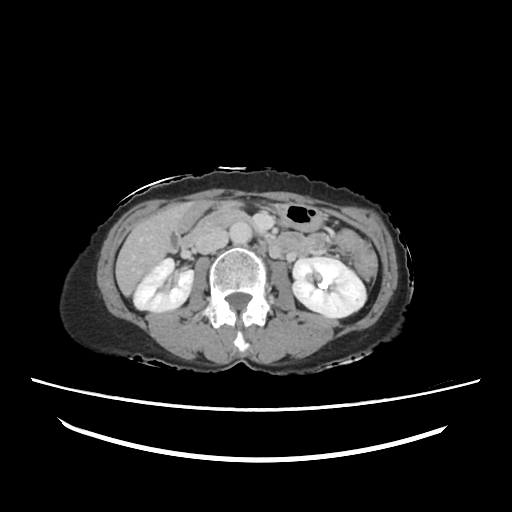 Computed tomography, abdomen — axial plane, index 52 — Aquilion ONE scanner
Coordinates as <box>x1,y1,x2,y2</box> in pixels. The annotated organs in this slice are: stomach at <box>178,200,321,234</box>, liver at <box>115,202,190,297</box>, right kidney at <box>134,257,193,312</box>, aorta at <box>232,229,252,243</box>, inferior vena cava at <box>196,228,227,253</box>, left kidney at <box>230,222,367,318</box>, duodenum at <box>182,211,250,247</box>, gall bladder at <box>167,229,180,252</box>, pancreas at <box>218,206,236,210</box>.